CT abdomen · axial view · 512x512 px · 62-year-old male patient
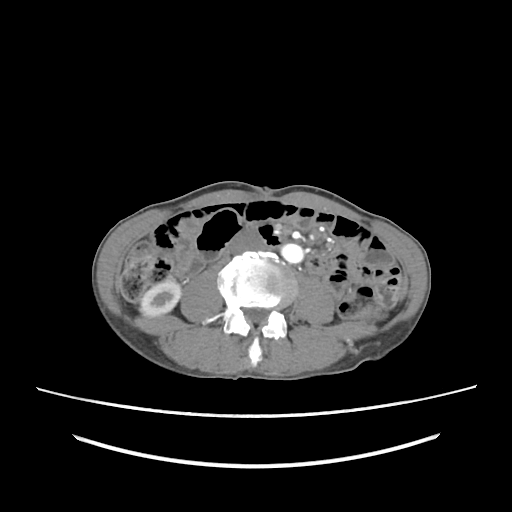 Box edges are left/top/right/bottom in pixels. Labeled organs on this slice: right kidney at left=140, top=279, right=181, bottom=316, aorta at left=281, top=243, right=303, bottom=263, inferior vena cava at left=231, top=229, right=267, bottom=252.